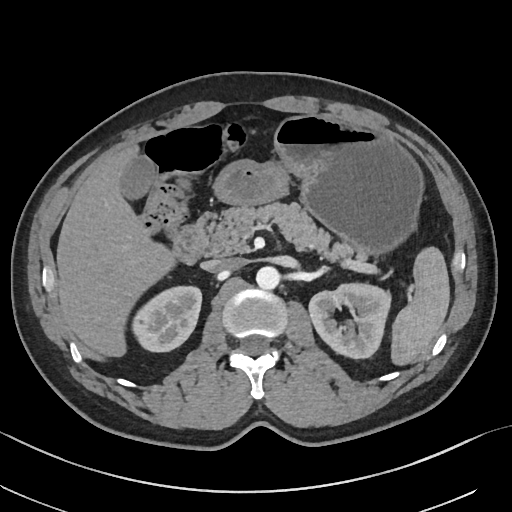
CT, abdomen/pelvis; Axial slice 156/307; soft-tissue window (W 400 / L 40); acquired on SOMATOM Force
Coordinates as <box>x1,y1,x2,y2</box> in pixels.
spleen: <box>391,247,449,365</box>
right kidney: <box>132,286,201,351</box>
left kidney: <box>309,283,390,358</box>
gall bladder: <box>121,155,155,199</box>
liver: <box>56,147,175,356</box>
stomach: <box>214,114,423,254</box>
aorta: <box>256,266,280,289</box>
inferior vena cava: <box>202,258,241,271</box>
pancreas: <box>208,202,369,259</box>
duodenum: <box>173,213,212,264</box>